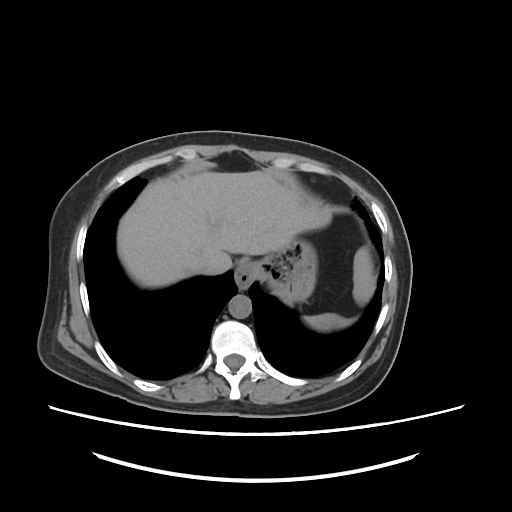
CT abdomen — axial plane, index 79 — 15 organs annotated in this scan (that count is for the whole scan; organs this slice misses have no box)
Boxes: x1:y1:x2:y2 in pixels.
Organ bounding boxes:
- spleen: 304:247:376:329
- esophagus: 234:260:255:289
- liver: 119:169:330:285
- stomach: 255:237:315:303
- aorta: 229:294:251:317
- inferior vena cava: 198:252:233:275